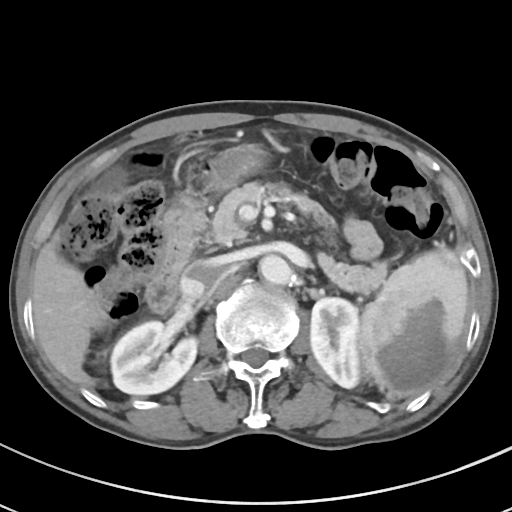

Abdominal CT; axial view; 512x512 px; acquired on SOMATOM Force
One row per box, in pixels: columns x1 and y1 give the top-left corner, x2 and y2 the bottom-right.
| organ | x1 | y1 | x2 | y2 |
|---|---|---|---|---|
| liver | 32 | 240 | 105 | 386 |
| inferior vena cava | 179 | 258 | 224 | 300 |
| pancreas | 198 | 182 | 387 | 294 |
| aorta | 259 | 254 | 292 | 285 |
| duodenum | 146 | 194 | 205 | 312 |
| left kidney | 310 | 297 | 360 | 388 |
| right kidney | 110 | 320 | 197 | 394 |
| stomach | 201 | 144 | 267 | 190 |
| gall bladder | 97 | 167 | 126 | 195 |
| spleen | 358 | 247 | 468 | 398 |